CT, abdomen/pelvis — axial view — 512x512 px — scan has 15 labeled organs (a whole-scan count: organs this slice does not pass through have no box)
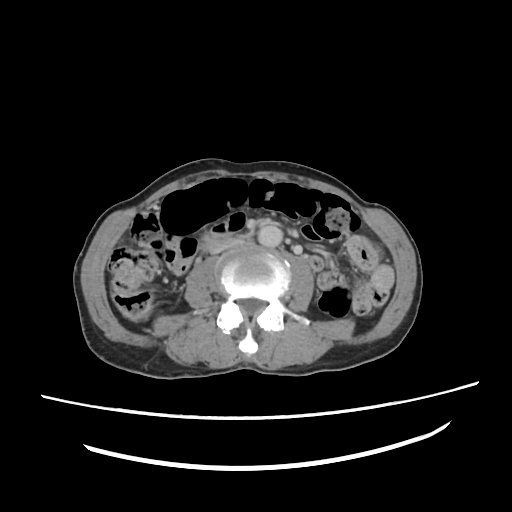 Bounding boxes in pixels, one row per box: x1, y1 is the top-left corner and x2, y2 the bottom-right.
| organ | x1 | y1 | x2 | y2 |
|---|---|---|---|---|
| aorta | 258 | 223 | 282 | 247 |
| inferior vena cava | 211 | 240 | 244 | 253 |
| duodenum | 204 | 237 | 234 | 250 |